CT, abdomen/pelvis · axial plane, index 23 · soft-tissue window · 512x512 px
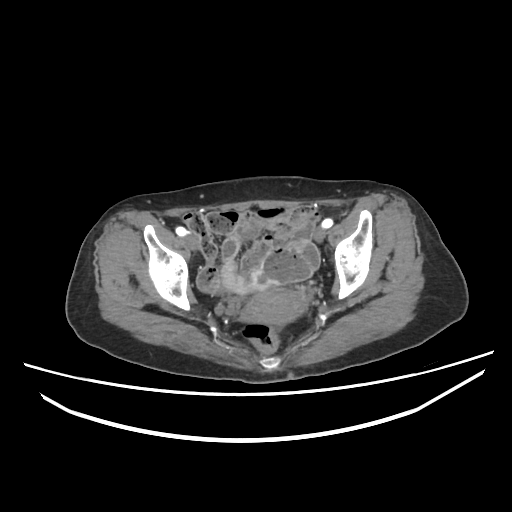

One row per box, in pixels: columns x1 and y1 give the top-left corner, x2 and y2 the bottom-right.
| organ | x1 | y1 | x2 | y2 |
|---|---|---|---|---|
| prostate/uterus | 240 | 288 | 305 | 323 |